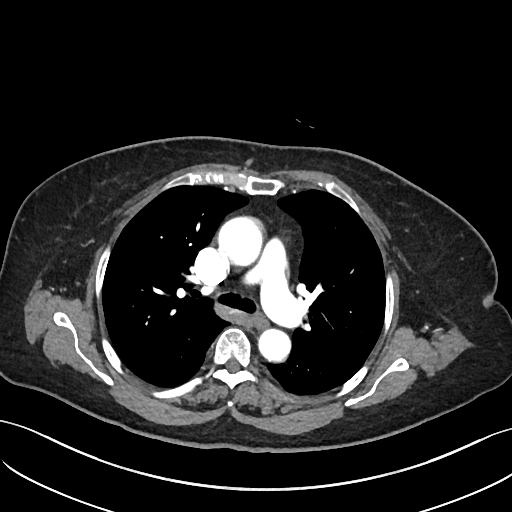 Chest-level slice from an abdominal CT that extends up into the chest; axial view; soft-tissue window (W 400 / L 40)
At this level of the chest no structure but the esophagus and the aorta has a label in this dataset, and those two are boxed only where they are labeled.
One row per box, in pixels: columns x1 and y1 give the top-left corner, x2 and y2 the bottom-right.
| organ | x1 | y1 | x2 | y2 |
|---|---|---|---|---|
| esophagus | 253 | 313 | 268 | 328 |
| aorta | 218 | 217 | 262 | 265 |
| aorta | 258 | 329 | 290 | 361 |